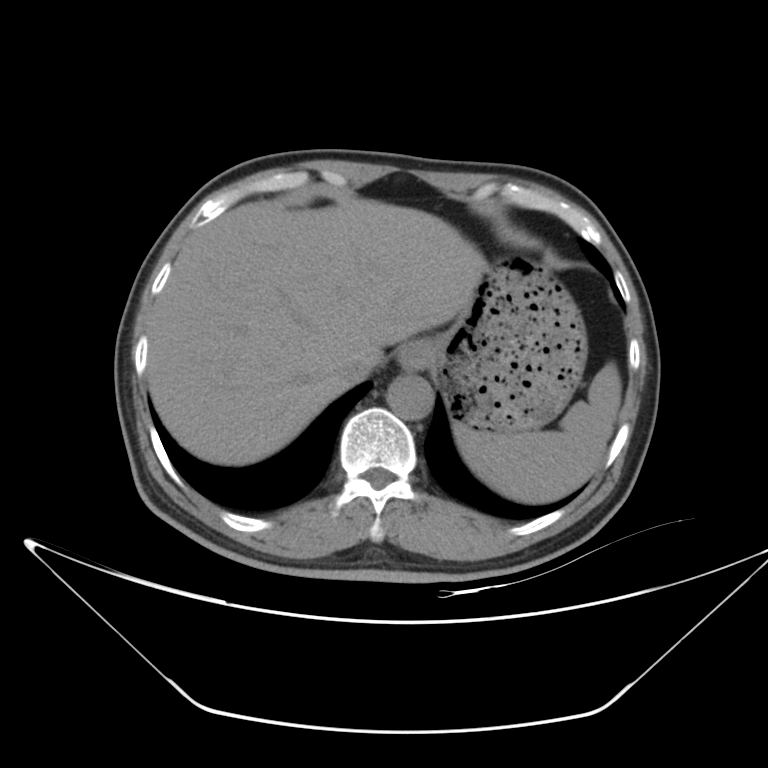
Abdominal CT; axial view; soft-tissue window (W 400 / L 40); 768x768 px; 56-year-old male patient; Brilliance16 scanner
{"organs":{"spleen":[455,361,621,503],"esophagus":[398,340,431,370],"liver":[146,198,486,465],"stomach":[427,259,587,433],"aorta":[387,375,433,420],"inferior vena cava":[334,356,369,384]}}